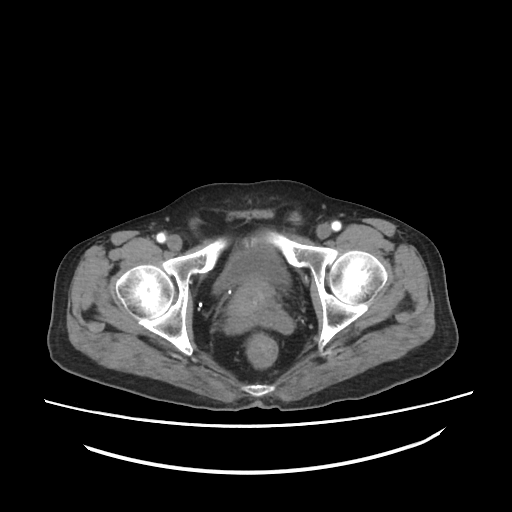

Abdominal CT · axial plane, index 16 · W/L 400/40 HU · 512x512 px · 68-year-old male patient
Boxes: x1:y1:x2:y2 in pixels.
prostate/uterus: 229:281:275:323
bladder: 215:244:288:290